CT, abdomen/pelvis · axial view
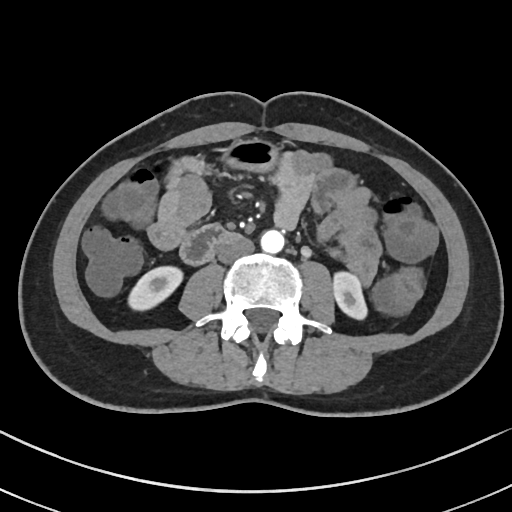
Boxes: x1 y1 x2 y2 (pixel coords, space-separated).
Organ bounding boxes:
- inferior vena cava: 218 236 254 263
- stomach: 225 141 275 171
- right kidney: 129 266 181 310
- left kidney: 332 272 367 319
- duodenum: 180 224 238 263
- aorta: 260 229 284 253